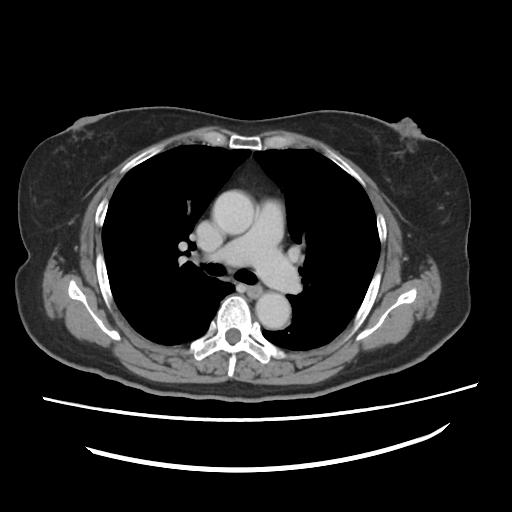
CT of the abdomen extending into the chest, slice through the chest. axial view. 14 organs annotated in this scan (counted over the whole 3D scan, not this slice; an organ is boxed only where this slice passes through it)
On a slice this high in the chest, this dataset labels only the esophagus and the aorta, and each is boxed only where it is labeled; the heart, lungs and other chest structures are not labeled.
Bounding boxes in pixels, one row per box: x1, y1 is the top-left corner and x2, y2 the bottom-right.
| organ | x1 | y1 | x2 | y2 |
|---|---|---|---|---|
| esophagus | 247 | 285 | 262 | 298 |
| aorta | 212 | 190 | 255 | 234 |
| aorta | 254 | 292 | 291 | 330 |